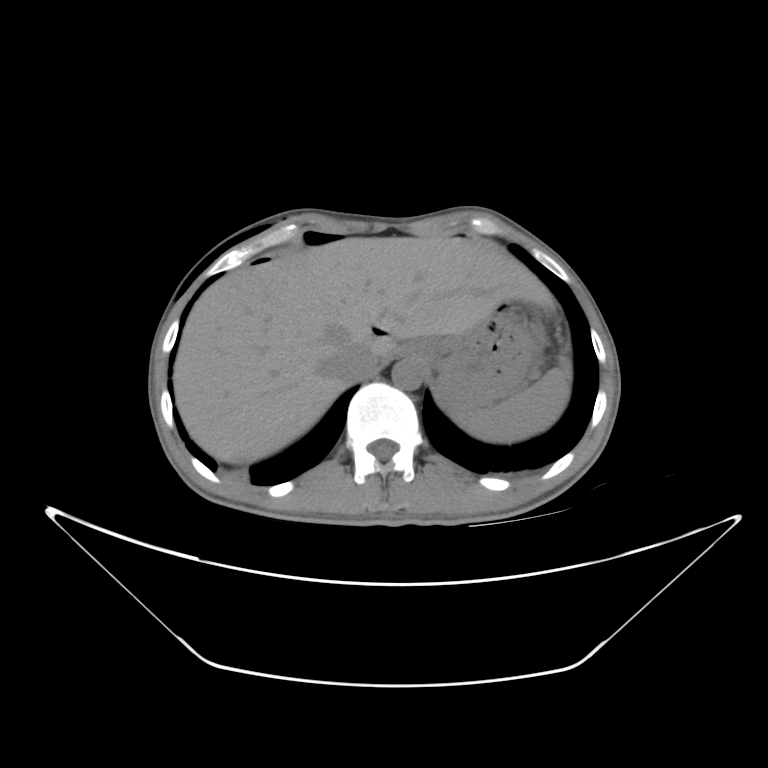
CT, abdomen/pelvis; axial view; abdomen soft-tissue window; 768x768 px
Bounding boxes as [x1, y1, x2, y2] in pixel coordinates.
Organ bounding boxes:
- spleen: [448, 356, 569, 442]
- liver: [175, 235, 549, 462]
- stomach: [402, 303, 544, 405]
- aorta: [392, 356, 421, 390]
- inferior vena cava: [321, 345, 378, 379]